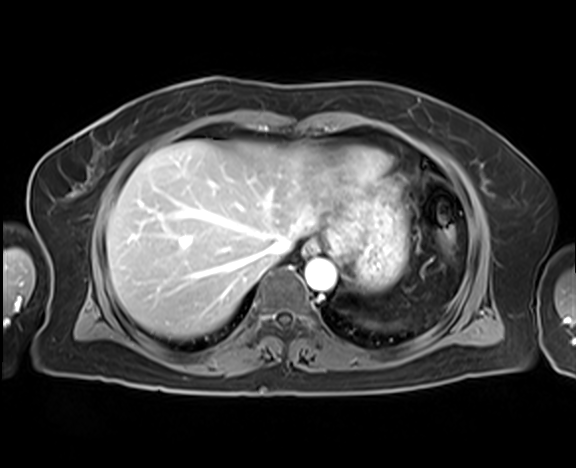

Abdominal MR. axial view. 1st–99th percentile window. acquired on Prisma
Bounding boxes in pixels, one row per box: x1, y1 is the top-left corner and x2, y2 the bottom-right.
| organ | x1 | y1 | x2 | y2 |
|---|---|---|---|---|
| spleen | 361 | 320 | 403 | 328 |
| esophagus | 305 | 241 | 319 | 254 |
| liver | 106 | 140 | 373 | 338 |
| stomach | 335 | 185 | 407 | 291 |
| aorta | 305 | 259 | 336 | 291 |
| inferior vena cava | 265 | 236 | 294 | 258 |